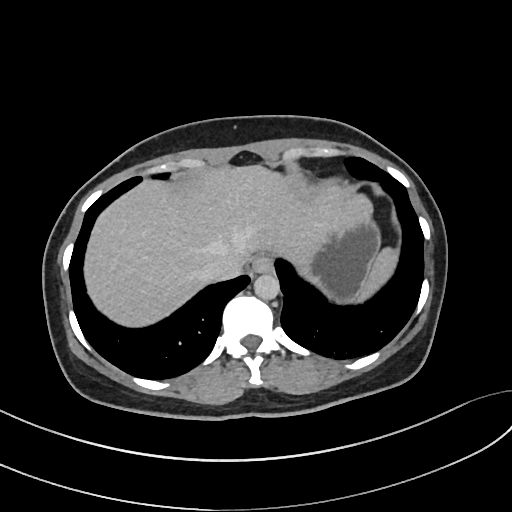
Abdominal CT. Axial slice 195/219. soft-tissue window (W 400 / L 40)
{"organs":{"spleen":[357,246,397,303],"esophagus":[253,254,272,273],"liver":[85,166,375,328],"stomach":[299,219,380,300],"aorta":[254,273,279,300],"inferior vena cava":[202,252,247,281]}}